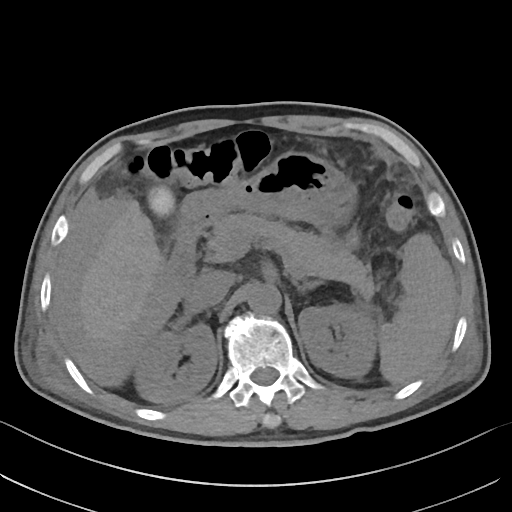

Abdominal CT · Axial slice 67/100 · 512x512 px
Bounding boxes in pixels, one row per box: x1, y1 is the top-left corner and x2, y2 the bottom-right.
| organ | x1 | y1 | x2 | y2 |
|---|---|---|---|---|
| spleen | 378 | 233 | 456 | 383 |
| right kidney | 134 | 323 | 216 | 402 |
| left kidney | 298 | 303 | 377 | 377 |
| gall bladder | 148 | 186 | 173 | 216 |
| liver | 79 | 199 | 163 | 345 |
| stomach | 178 | 152 | 356 | 229 |
| aorta | 247 | 283 | 281 | 313 |
| inferior vena cava | 190 | 270 | 234 | 308 |
| pancreas | 205 | 213 | 375 | 299 |
| left adrenal gland | 293 | 280 | 322 | 292 |
| duodenum | 163 | 217 | 204 | 296 |